Abdominal CT; Axial slice 116/175; 512x512 px
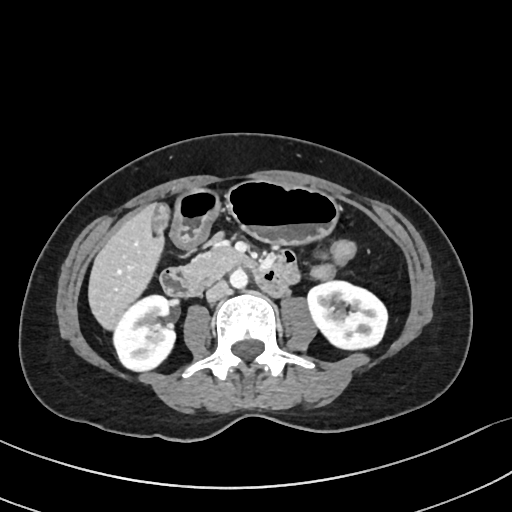 Box edges are left/top/right/bottom in pixels.
stomach: left=171, top=180, right=340, bottom=248
aorta: left=230, top=270, right=247, bottom=289
pancreas: left=182, top=241, right=245, bottom=284
inferior vena cava: left=206, top=281, right=228, bottom=301
right kidney: left=115, top=296, right=176, bottom=372
gall bladder: left=152, top=205, right=170, bottom=231
liver: left=87, top=203, right=165, bottom=331
duodenum: left=160, top=250, right=298, bottom=296
left kidney: left=307, top=281, right=387, bottom=351